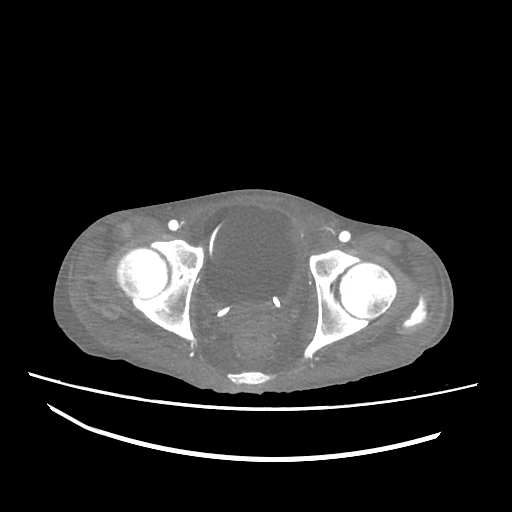
Abdominal CT · axial view · 512x512 px · 47-year-old male patient · Aquilion ONE scanner · 15 organs annotated in this scan (a whole-scan count: organs this slice does not pass through have no box)
Each box given as x1,y1,x2,y2.
bladder: x1=199, y1=203, x2=302, y2=312